CT abdomen · axial plane, index 46 · acquired on SOMATOM Force
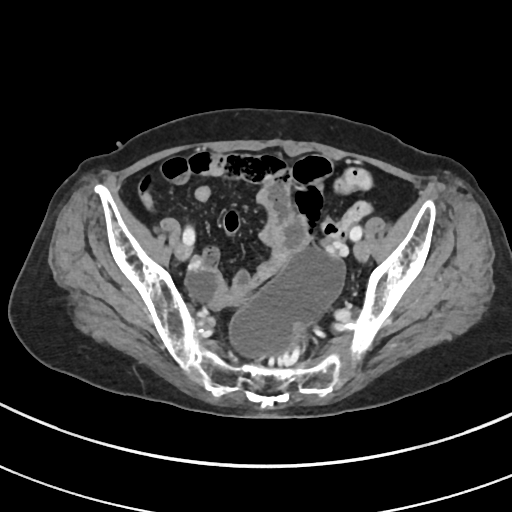 Boxes: x1 y1 x2 y2 (pixel coords, space-separated).
prostate/uterus: 218 289 244 307